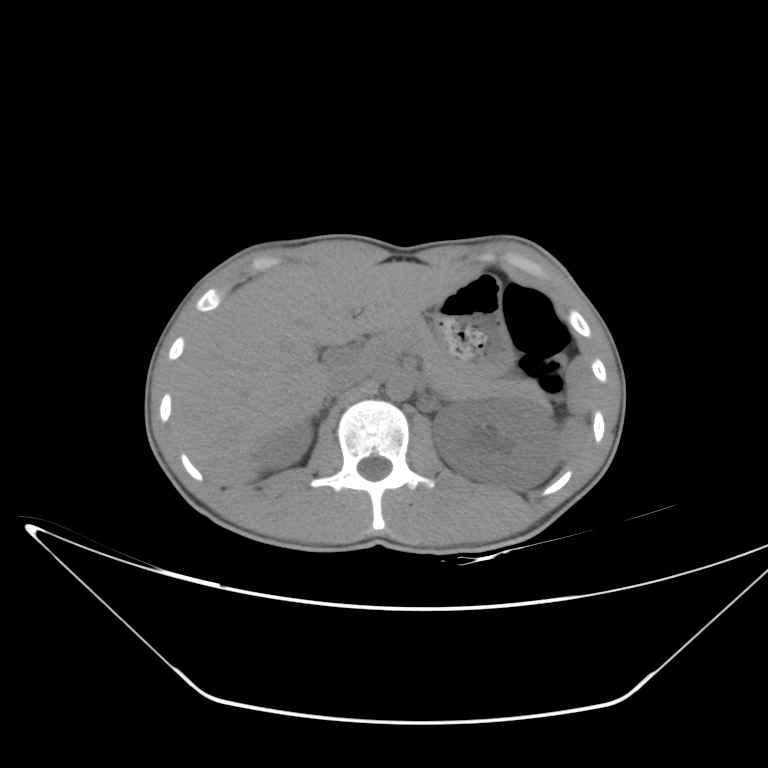

CT, abdomen/pelvis. axial view. scan has 15 labeled organs (a whole-scan count: organs this slice does not pass through have no box)
Each box given as x1,y1,x2,y2. Labeled organs on this slice: spleen at x1=560, y1=358, x2=596, y2=459, right kidney at x1=255, y1=421, x2=313, y2=469, left kidney at x1=432, y1=399, x2=560, y2=490, liver at x1=171, y1=258, x2=471, y2=484, stomach at x1=434, y1=273, x2=515, y2=376, aorta at x1=385, y1=375, x2=412, y2=401, inferior vena cava at x1=325, y1=365, x2=371, y2=396, pancreas at x1=387, y1=317, x2=549, y2=408, right adrenal gland at x1=314, y1=399, x2=330, y2=420.